Abdominal CT. axial view. 512x512 px
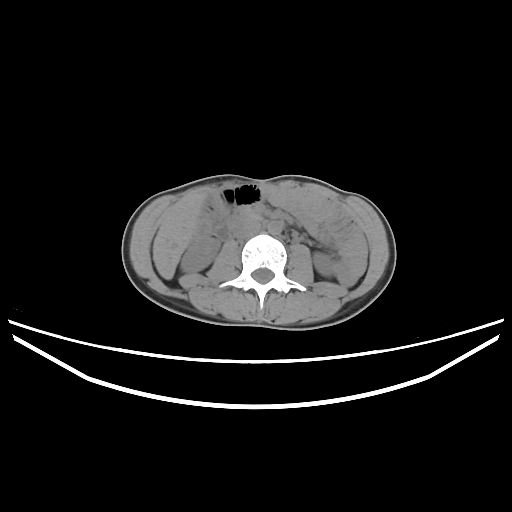

Boxes: x1:y1:x2:y2 in pixels.
left kidney: 313:252:332:275
duodenum: 213:212:262:241
liver: 153:193:206:279
aorta: 267:220:282:235
inferior vena cava: 233:220:260:239
right kidney: 180:236:220:272